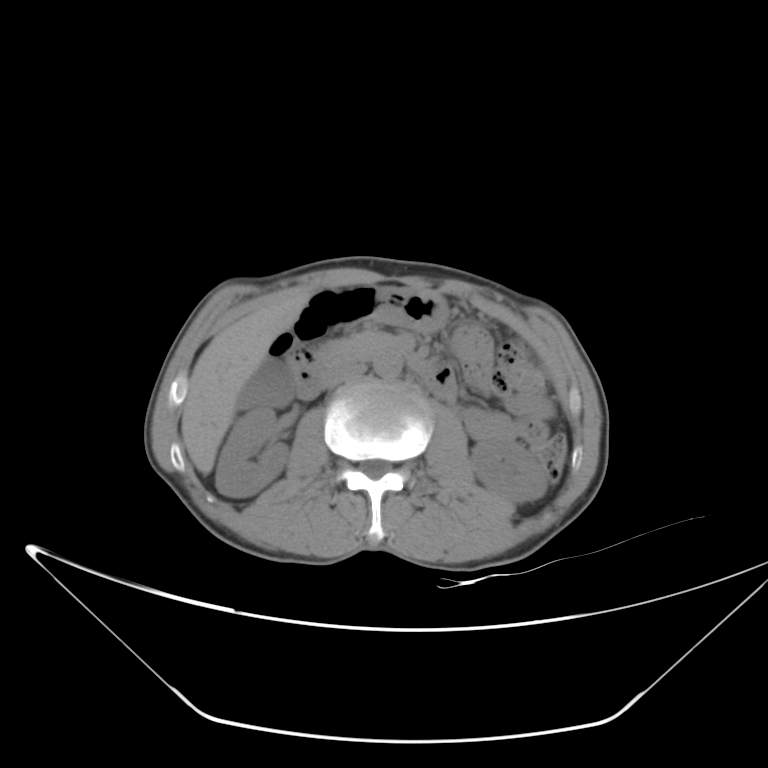

CT abdomen · axial plane, index 63 · soft-tissue window (W 400 / L 40) · 63-year-old male patient
One row per box, in pixels: columns x1 and y1 give the top-left corner, x2 and y2 the bottom-right.
| organ | x1 | y1 | x2 | y2 |
|---|---|---|---|---|
| right kidney | 215 | 406 | 289 | 496 |
| left kidney | 470 | 439 | 548 | 503 |
| gall bladder | 237 | 357 | 294 | 411 |
| liver | 182 | 291 | 309 | 474 |
| stomach | 372 | 287 | 447 | 330 |
| aorta | 373 | 350 | 402 | 378 |
| inferior vena cava | 326 | 363 | 366 | 388 |
| pancreas | 316 | 331 | 392 | 366 |
| duodenum | 284 | 286 | 456 | 400 |